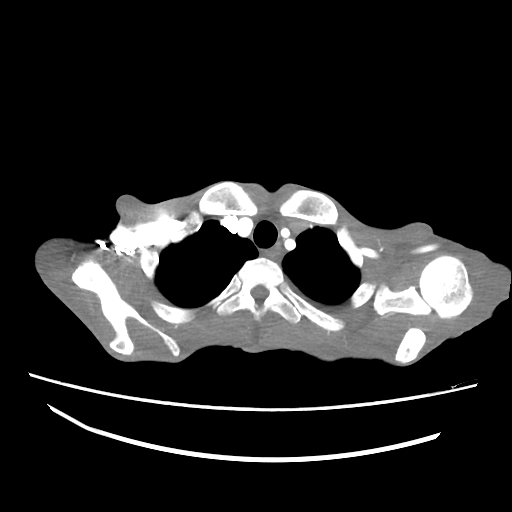 Chest-level slice from an abdominal CT that extends up into the chest. Axial slice 118/123. 512x512 px
At this level of the chest no structure but the esophagus and the aorta has a label in this dataset, and those two are boxed only where they are labeled.
Each box given as x1,y1,x2,y2.
esophagus: x1=265, y1=245, x2=281, y2=261